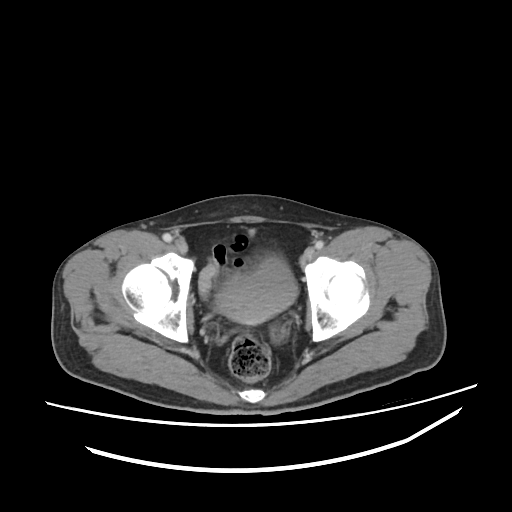
CT abdomen. axial plane, index 22. abdomen soft-tissue window. acquired on Aquilion ONE
Coordinates as <box>x1,y1,x2,y2</box> in pixels.
Organ bounding boxes:
- bladder: <box>214,259,297,324</box>